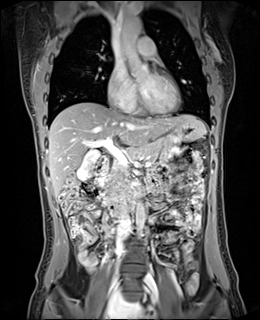 Magnetic resonance imaging, abdomen; Coronal slice 80/144
<organs><organ name="pancreas" x1="103" y1="141" x2="161" y2="183"/><organ name="inferior vena cava" x1="116" y1="203" x2="130" y2="239"/><organ name="liver" x1="48" y1="102" x2="205" y2="196"/><organ name="gall bladder" x1="77" y1="150" x2="100" y2="181"/><organ name="duodenum" x1="95" y1="157" x2="144" y2="196"/><organ name="stomach" x1="171" y1="121" x2="203" y2="142"/><organ name="aorta" x1="120" y1="19" x2="150" y2="78"/><organ name="aorta" x1="136" y1="202" x2="144" y2="235"/></organs>